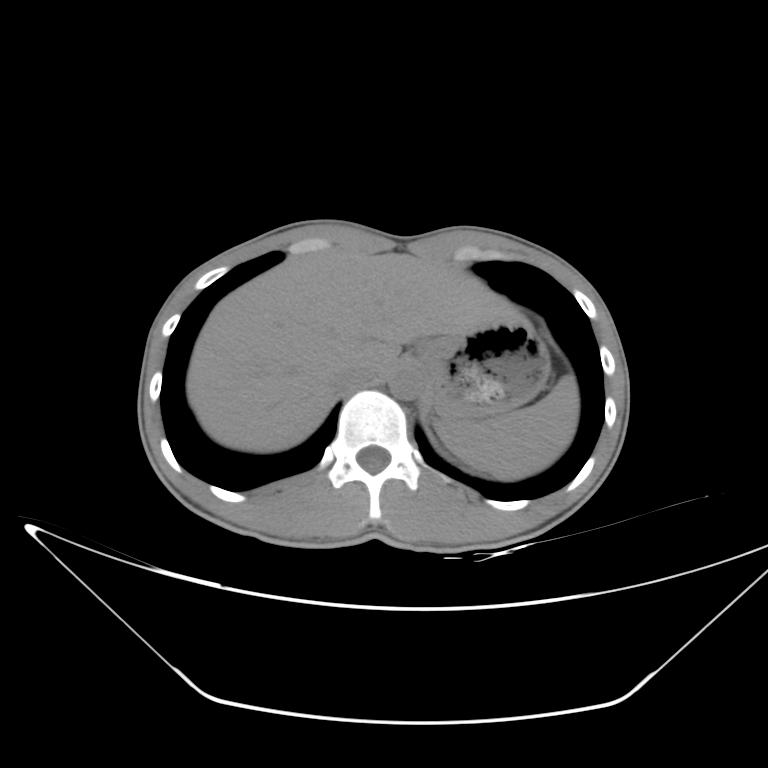

CT, abdomen/pelvis; axial view; W/L 400/40 HU; 768x768 px; 39-year-old male patient
Box edges are left/top/right/bottom in pixels.
inferior vena cava: left=334, top=363, right=380, bottom=389
spleen: left=437, top=375, right=578, bottom=480
liver: left=186, top=249, right=516, bottom=452
aorta: left=388, top=368, right=421, bottom=399
stomach: left=415, top=315, right=550, bottom=418